CT, abdomen/pelvis · Axial slice 99/291 · 512x512 px · acquired on SOMATOM Force
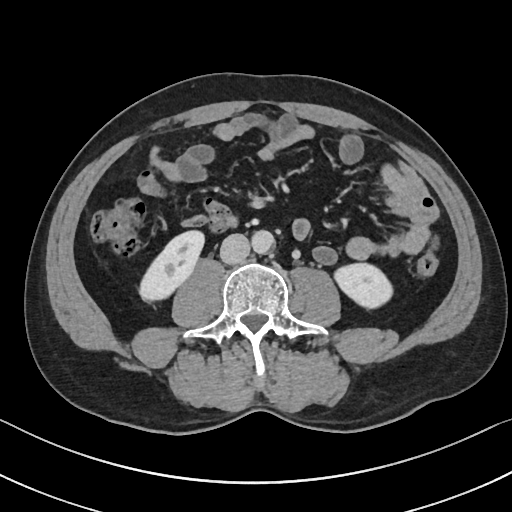 Box edges are left/top/right/bottom in pixels. 4 labeled organs on this slice — right kidney at left=138, top=230, right=205, bottom=301; left kidney at left=332, top=262, right=392, bottom=309; aorta at left=251, top=230, right=274, bottom=254; inferior vena cava at left=220, top=233, right=249, bottom=263.